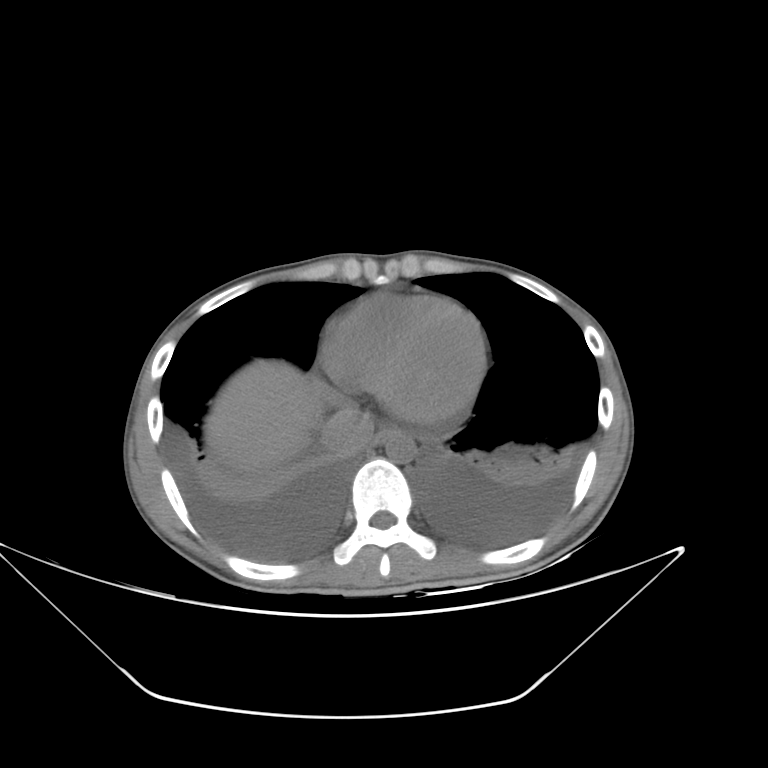
Abdominal CT; Axial slice 96/103; 24-year-old male patient; Brilliance16 scanner
Bounding boxes as [x1, y1, x2, y2] in pixel coordinates.
Organ bounding boxes:
- esophagus: [372, 427, 392, 444]
- liver: [204, 359, 327, 472]
- aorta: [383, 430, 416, 462]
- inferior vena cava: [320, 405, 374, 455]